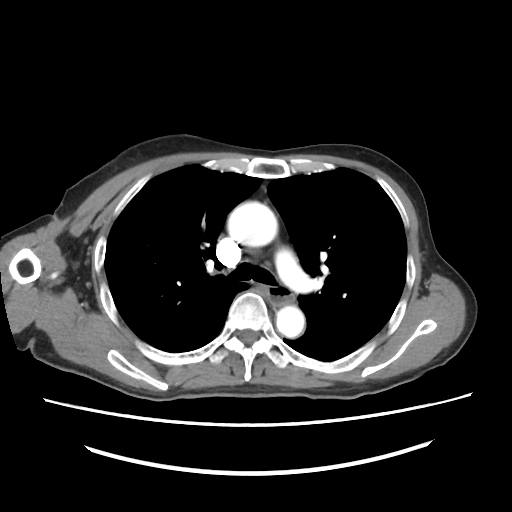

CT of the abdomen extending into the chest, slice through the chest — axial plane, index 112 — soft-tissue window — 512x512 px
At this level of the chest this dataset labels only the esophagus and the aorta, and each is boxed only where it is labeled; the heart and lungs are never labeled.
<organs><organ name="aorta" x1="227" y1="202" x2="276" y2="248"/><organ name="aorta" x1="276" y1="304" x2="304" y2="337"/><organ name="esophagus" x1="265" y1="286" x2="295" y2="305"/></organs>